CT, abdomen/pelvis; axial plane, index 15; W/L 400/40 HU
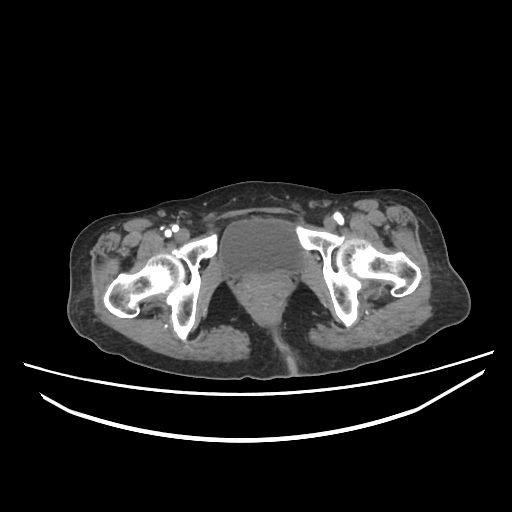

<organs><organ name="bladder" x1="220" y1="221" x2="303" y2="275"/></organs>